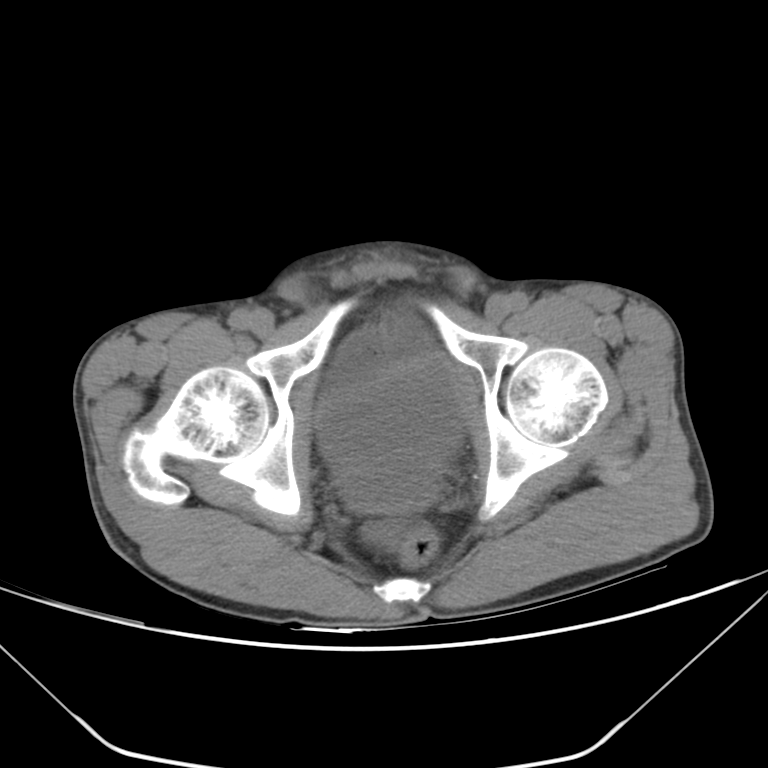 CT abdomen — axial view — 768x768 px — 15 organs annotated in this scan (counted over the whole 3D scan, not this slice; an organ is boxed only where this slice passes through it)
{"organs":{"bladder":[317,347,462,509]}}